Abdominal CT — axial view — 512x512 px
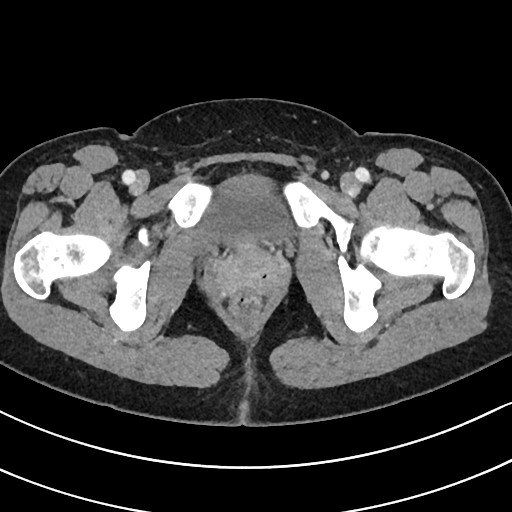
Box edges are left/top/right/bottom in pixels.
bladder: left=201, top=175, right=288, bottom=242